CT, abdomen/pelvis. axial view. 512x512 px
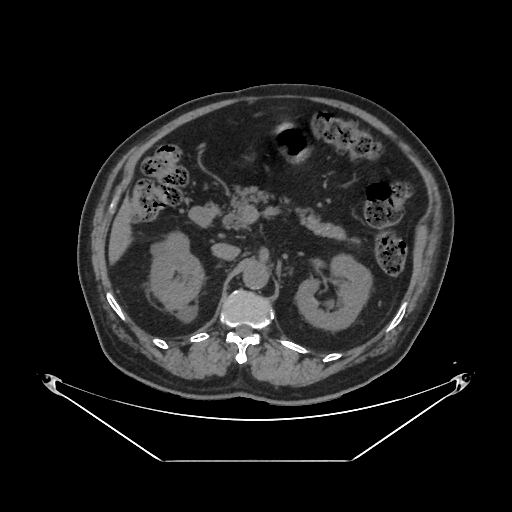 Boxes are (x1, y1, x2, y2) in pixels.
Organ bounding boxes:
- right kidney: (149, 231, 202, 319)
- aorta: (243, 262, 268, 289)
- liver: (109, 199, 130, 262)
- inferior vena cava: (212, 243, 240, 259)
- duodenum: (189, 203, 219, 227)
- left kidney: (296, 254, 370, 330)
- pancreas: (222, 191, 345, 239)
- stomach: (277, 125, 309, 161)